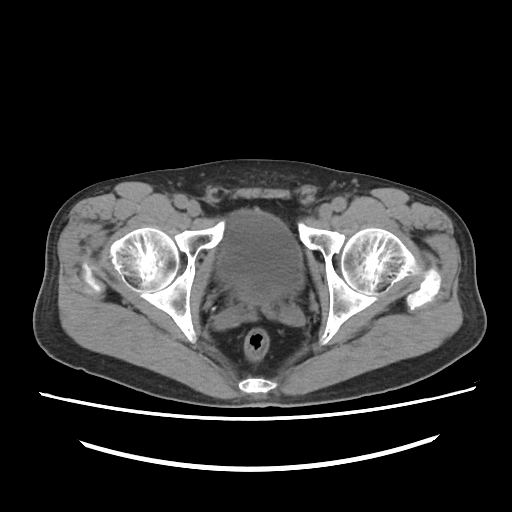

CT abdomen — Axial slice 17/87 — scan has 15 labeled organs (a whole-scan count: organs this slice does not pass through have no box)
Coordinates as <box>x1,y1,x2,y2</box> in pixels.
bladder: <box>217,211,303,304</box>